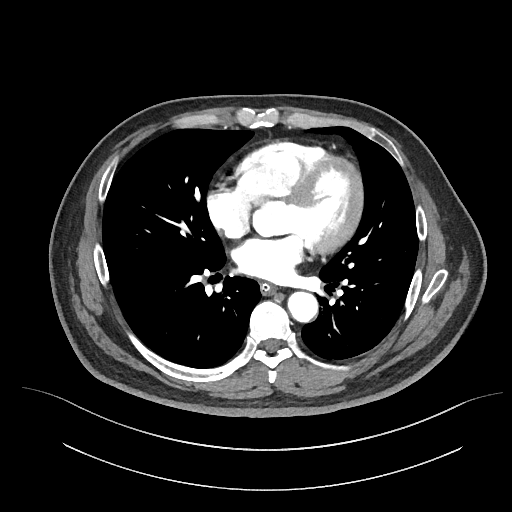
Lower-chest slice from an abdominal CT, just above the liver and spleen · axial view
Of the structures in the chest, this dataset labels only the esophagus, the aorta and the inferior vena cava; the heart and lungs have no label.
Each box given as x1,y1,x2,y2.
Organ bounding boxes:
- aorta: x1=288, y1=292, x2=318, y2=322
- esophagus: x1=260, y1=283, x2=277, y2=295